CT, abdomen/pelvis. axial view. W/L 400/40 HU. 512x512 px
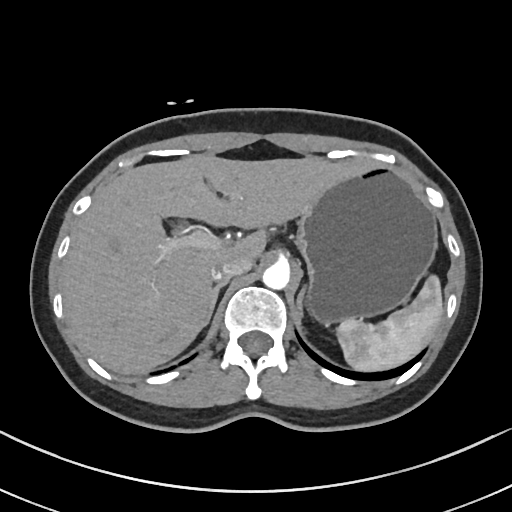

Bounding boxes in pixels, one row per box: x1, y1 is the top-left corner and x2, y2 the bottom-right.
| organ | x1 | y1 | x2 | y2 |
|---|---|---|---|---|
| spleen | 335 | 276 | 442 | 371 |
| liver | 61 | 154 | 369 | 373 |
| stomach | 294 | 167 | 438 | 324 |
| aorta | 262 | 262 | 290 | 290 |
| inferior vena cava | 211 | 257 | 251 | 279 |
| right adrenal gland | 207 | 280 | 228 | 323 |
| left adrenal gland | 297 | 286 | 306 | 312 |
| duodenum | 204 | 219 | 230 | 227 |